CT, abdomen/pelvis. axial view. 512x512 px. acquired on SOMATOM Force
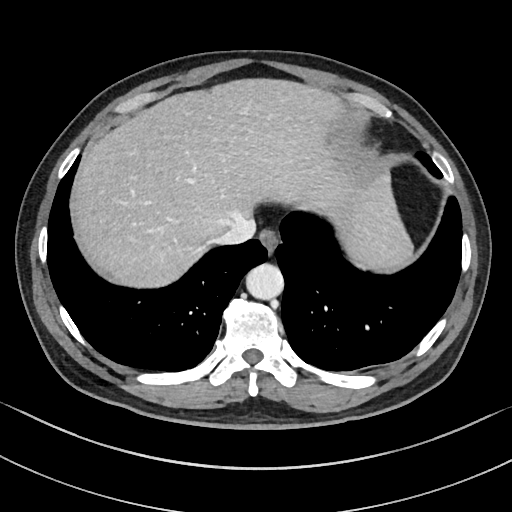 Each box given as x1,y1,x2,y2. The annotated organs in this slice are: esophagus at x1=259, y1=229, x2=279, y2=253, liver at x1=75, y1=78, x2=412, y2=287, aorta at x1=246, y1=263, x2=283, y2=300, inferior vena cava at x1=215, y1=219, x2=255, y2=244.